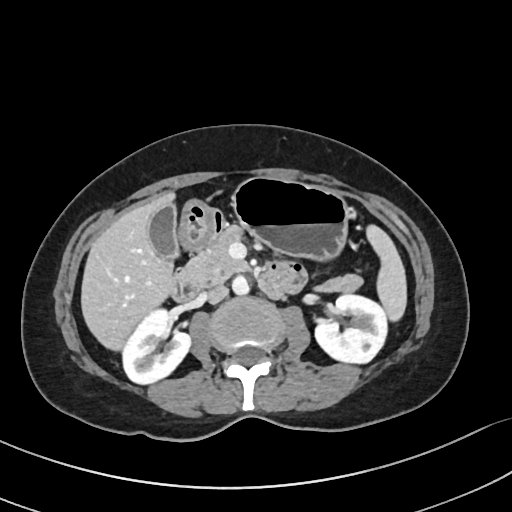 CT abdomen; axial view; 512x512 px
{"organs":{"stomach":[179,177,350,260],"inferior vena cava":[207,285,228,303],"pancreas":[183,225,363,292],"right kidney":[123,309,191,384],"liver":[81,193,175,350],"left kidney":[315,295,386,363],"aorta":[232,276,249,295],"spleen":[366,224,407,321],"duodenum":[170,209,307,301],"gall bladder":[149,205,178,260]}}